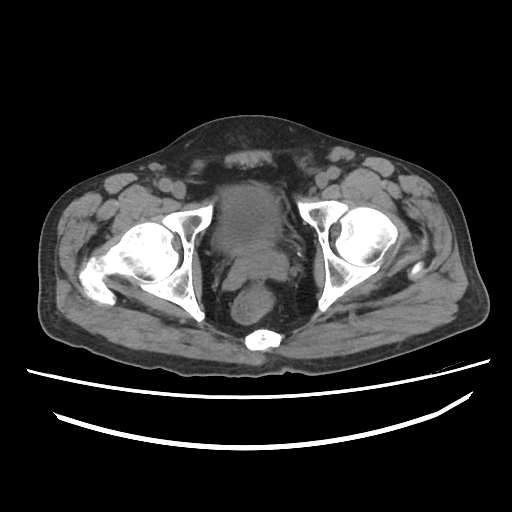
CT abdomen · Axial slice 24/95 · soft-tissue window · 48-year-old male patient
{"organs":{"bladder":[214,185,281,251],"prostate/uterus":[236,241,272,261]}}